Abdominal CT · axial view · W/L 400/40 HU
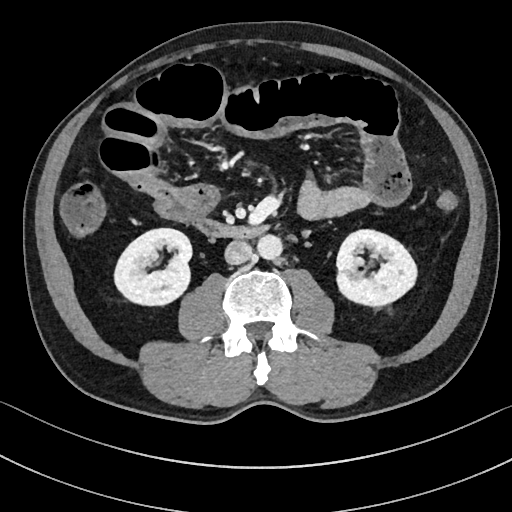

Boxes: x1 y1 x2 y2 (pixel coords, space-separated).
Organ bounding boxes:
- right kidney: 114 228 191 305
- inferior vena cava: 224 240 252 264
- aorta: 257 234 282 260
- duodenum: 195 219 268 239
- left kidney: 336 229 416 306